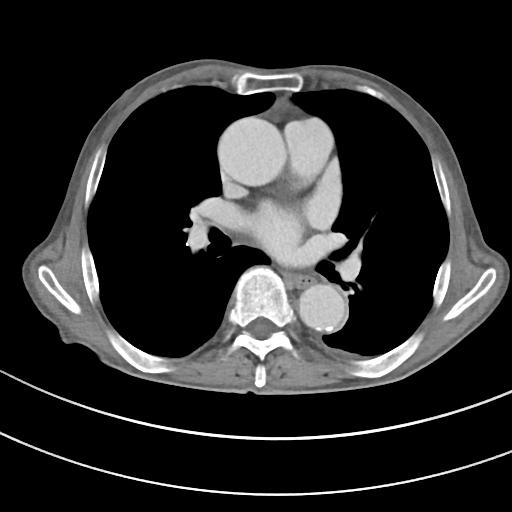

Chest-level CT slice, above the liver and spleen; Axial slice 91/122; soft-tissue window, W/L 400/40; 512x512 px
At this level of the chest this dataset labels only the esophagus and the aorta, and each is boxed only where it is labeled; the heart and lungs are never labeled.
{"organs":{"aorta":[[218,117,286,185],[298,284,345,331]],"esophagus":[286,274,314,287]}}